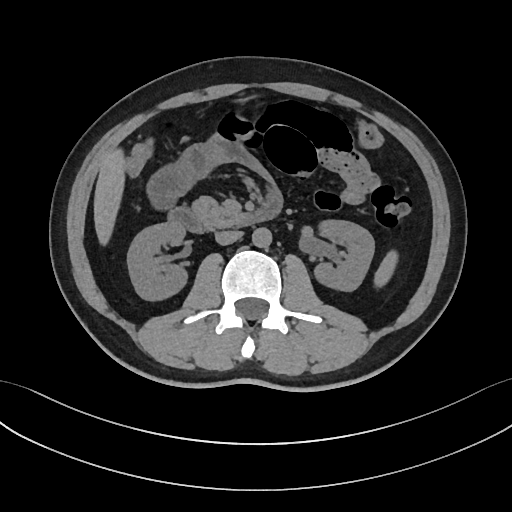 Computed tomography, abdomen; axial view; abdomen soft-tissue window; acquired on SOMATOM Force; scan has 15 labeled organs (a whole-scan count: organs this slice does not pass through have no box)
Bounding boxes in pixels, one row per box: x1, y1 is the top-left corner and x2, y2 the bottom-right.
| organ | x1 | y1 | x2 | y2 |
|---|---|---|---|---|
| liver | 94 | 149 | 124 | 245 |
| spleen | 373 | 250 | 398 | 287 |
| duodenum | 168 | 191 | 282 | 233 |
| left kidney | 314 | 220 | 374 | 291 |
| right kidney | 127 | 222 | 187 | 300 |
| aorta | 252 | 227 | 271 | 247 |
| pancreas | 192 | 197 | 239 | 227 |
| inferior vena cava | 215 | 230 | 242 | 244 |